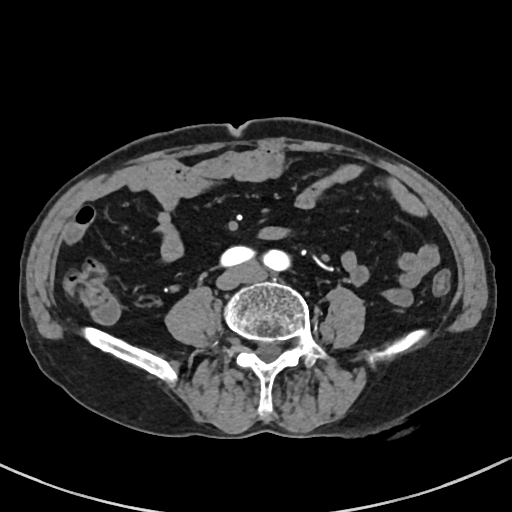
CT, abdomen/pelvis; axial view
Organ boxes in pixel coordinates; each row gives the top-left (x1, y1) and bottom-right (x2, y2) corners.
| organ | x1 | y1 | x2 | y2 |
|---|---|---|---|---|
| inferior vena cava | 227 | 264 | 265 | 281 |